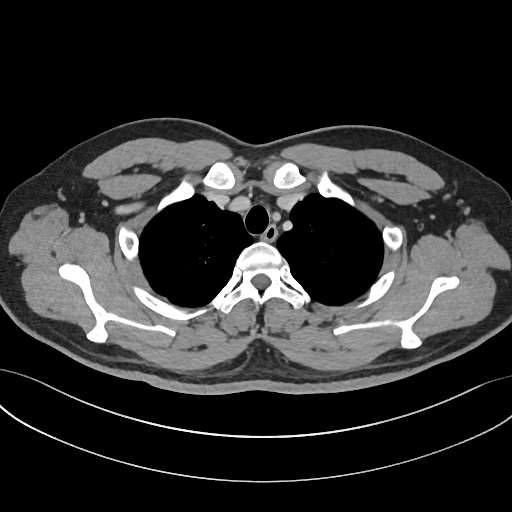 Chest-level CT slice, above the liver and spleen; axial view; soft-tissue window, W/L 400/40; acquired on SOMATOM Force
At this level of the chest this dataset labels only the esophagus and the aorta, and each is boxed only where it is labeled; the heart and lungs are never labeled.
<organs><organ name="esophagus" x1="262" y1="225" x2="277" y2="241"/></organs>